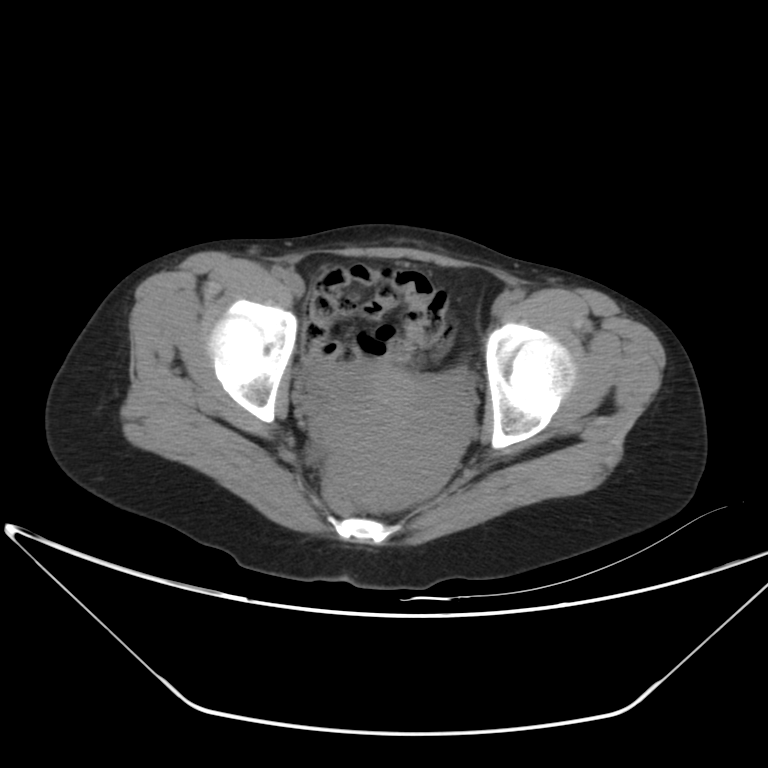

Computed tomography, abdomen — axial view — soft-tissue window
Bounding boxes as [x1, y1, x2, y2] in pixel coordinates.
prostate/uterus: [322, 364, 474, 511]